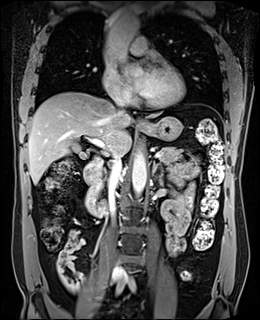 MRI, abdomen. coronal view
Boxes are (x1, y1, x2, y2) in pixels.
duodenum: (84, 158, 107, 218)
gall bladder: (74, 145, 88, 159)
pancreas: (99, 146, 184, 175)
left adrenal gland: (152, 161, 164, 181)
liver: (28, 91, 160, 184)
esophagus: (138, 121, 144, 125)
inferior vena cava: (108, 151, 122, 220)
inferior vena cava: (112, 262, 122, 275)
inferior vena cava: (117, 101, 123, 111)
aorta: (107, 15, 140, 67)
aorta: (132, 149, 146, 197)
aorta: (122, 72, 142, 77)
stomach: (138, 116, 182, 141)